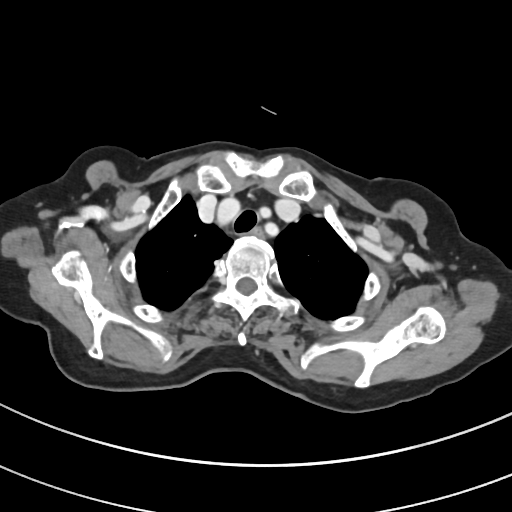 Abdominal CT reaching into the chest; this slice is in the chest. axial plane, index 265
On a slice this high in the chest, this dataset labels only the esophagus and the aorta, and each is boxed only where it is labeled; the heart, lungs and other chest structures are not labeled.
Bounding boxes as [x1, y1, x2, y2] in pixel coordinates.
esophagus: [251, 227, 263, 237]